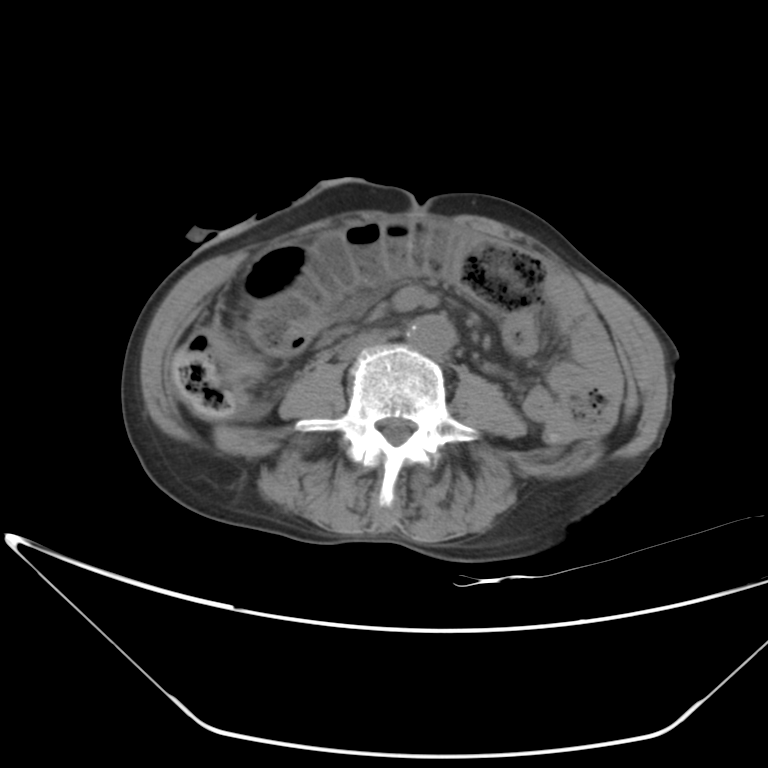 Computed tomography, abdomen — axial plane, index 42 — 768x768 px
Each box given as x1,y1,x2,y2.
aorta: x1=408, y1=315, x2=455, y2=356
inferior vena cava: x1=338, y1=331, x2=385, y2=361